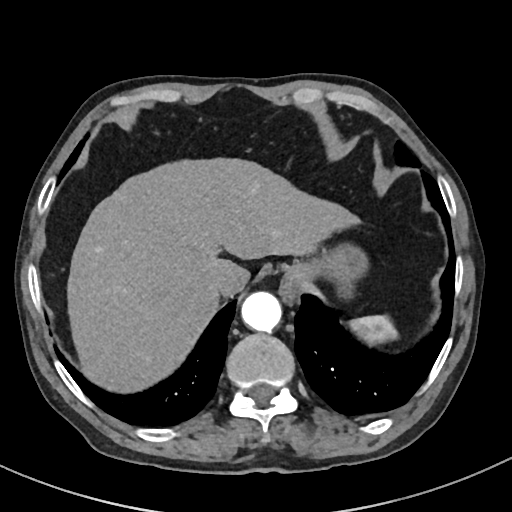 Computed tomography, abdomen; axial view; 512x512 px
Organ boxes in pixel coordinates; each row gives the top-left (x1, y1) and bottom-right (x2, y2) corners.
| organ | x1 | y1 | x2 | y2 |
|---|---|---|---|---|
| spleen | 350 | 316 | 398 | 341 |
| esophagus | 278 | 268 | 311 | 302 |
| liver | 68 | 159 | 357 | 391 |
| stomach | 293 | 249 | 365 | 280 |
| aorta | 241 | 291 | 280 | 331 |
| inferior vena cava | 211 | 274 | 225 | 292 |